Computed tomography, abdomen — axial plane, index 14 — 512x512 px
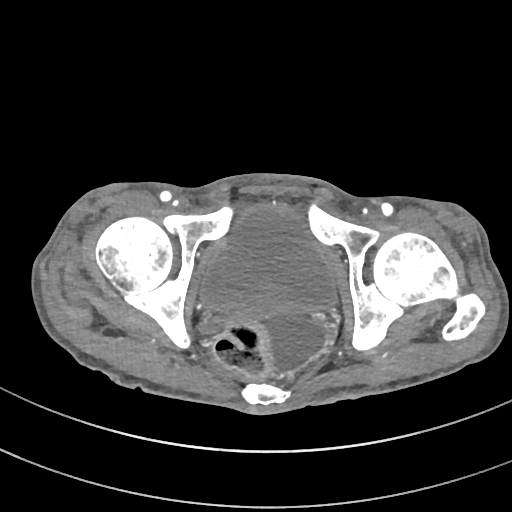

<organs><organ name="bladder" x1="202" y1="207" x2="337" y2="311"/></organs>